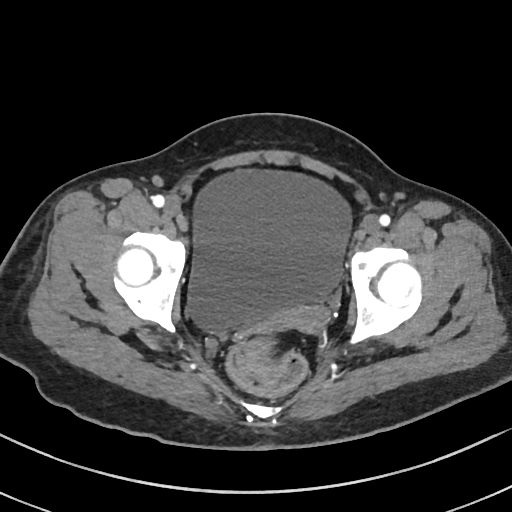

CT, abdomen/pelvis · Axial slice 27/191 · acquired on SOMATOM Force
Boxes are (x1, y1, x2, y2) in pixels.
Organ bounding boxes:
- bladder: (187, 168, 351, 335)
- prostate/uterus: (280, 303, 331, 333)